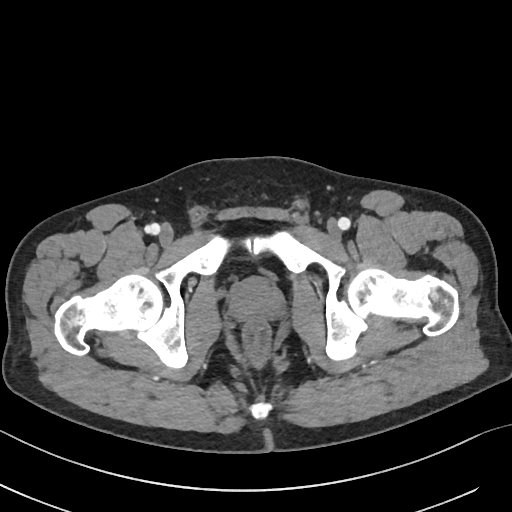

Abdominal CT. axial view. 512x512 px
{"organs":{"prostate/uterus":[230,277,281,321]}}